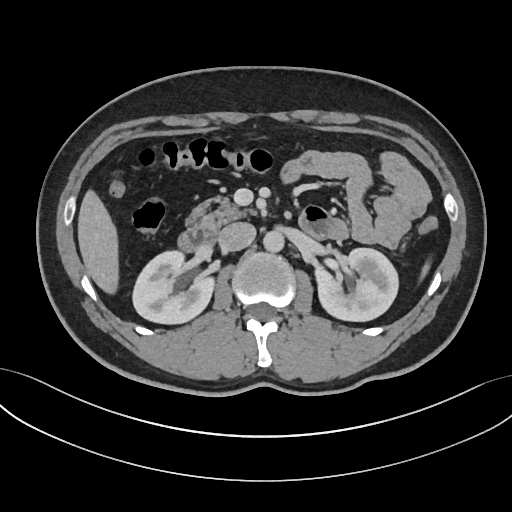

CT abdomen; axial plane, index 170; soft-tissue window (W 400 / L 40); 512x512 px; acquired on SOMATOM Force
Bounding boxes as [x1, y1, x2, y2] in pixel coordinates.
spleen: [420, 263, 430, 277]
right kidney: [133, 250, 215, 324]
left kidney: [313, 248, 398, 321]
liver: [77, 187, 118, 293]
aorta: [263, 231, 284, 253]
inferior vena cava: [217, 222, 256, 251]
pancreas: [184, 196, 252, 227]
duodenum: [176, 225, 217, 252]